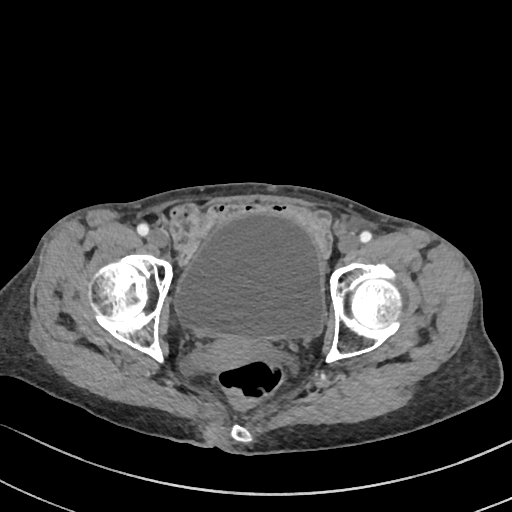
CT abdomen — axial view — 512x512 px — 15 organs annotated in this scan (counted over the whole 3D scan, not this slice; an organ is boxed only where this slice passes through it)
Boxes: x1 y1 x2 y2 (pixel coords, space-separated).
Organ bounding boxes:
- prostate/uterus: 197 335 258 371
- bladder: 175 211 324 340